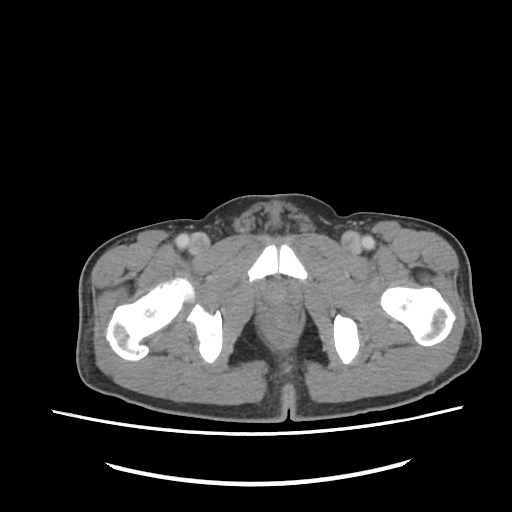

CT, abdomen/pelvis · Axial slice 14/123 · 54-year-old male patient
Each box given as x1,y1,x2,y2.
prostate/uterus: x1=265, y1=283, x2=294, y2=304